Abdominal CT. axial view. W/L 400/40 HU
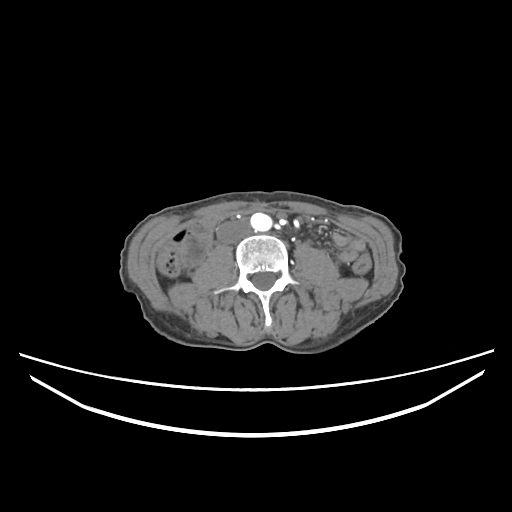 <organs><organ name="inferior vena cava" x1="217" y1="219" x2="250" y2="243"/><organ name="aorta" x1="250" y1="212" x2="272" y2="231"/></organs>